CT of the abdomen reaching into the lower chest, slice just above the liver and spleen · axial plane, index 187 · 512x512 px · 15 organs annotated in this scan (counted over the whole 3D scan, not this slice; an organ is boxed only where this slice passes through it)
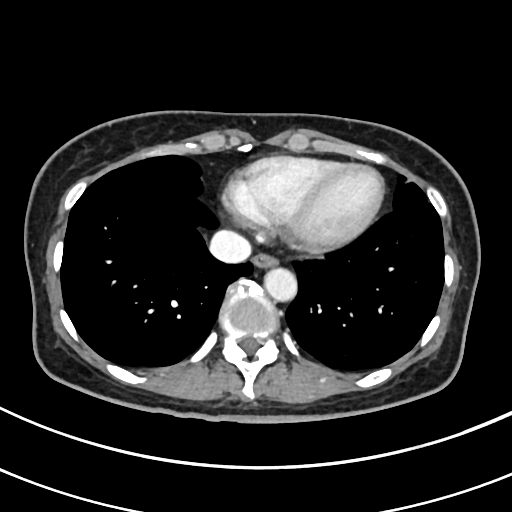 Of the structures in the chest, this dataset labels only the esophagus, the aorta and the inferior vena cava; the heart and lungs have no label.
Organ boxes in pixel coordinates; each row gives the top-left (x1, y1) and bottom-right (x2, y2) corners.
| organ | x1 | y1 | x2 | y2 |
|---|---|---|---|---|
| esophagus | 252 | 255 | 278 | 269 |
| aorta | 265 | 269 | 297 | 302 |
| inferior vena cava | 209 | 229 | 251 | 263 |